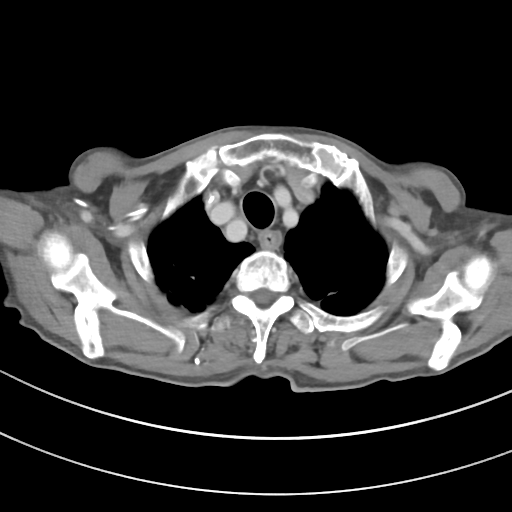

Chest-level CT slice, above the liver and spleen — axial view — 512x512 px — 15 organs annotated in this scan (that count is for the whole scan; organs this slice misses have no box)
On a slice this high in the chest, this dataset labels only the esophagus and the aorta, and each is boxed only where it is labeled; the heart, lungs and other chest structures are not labeled.
{"organs":{"esophagus":[259,231,281,247]}}